CT, abdomen/pelvis — axial plane, index 51 — W/L 400/40 HU
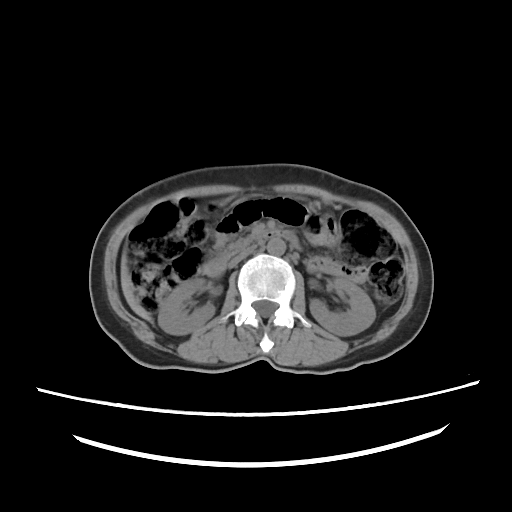 Box edges are left/top/right/bottom in pixels.
right kidney: left=158, top=279, right=215, bottom=334
liver: left=121, top=253, right=151, bottom=320
inferior vena cava: left=227, top=246, right=255, bottom=268
duodenum: left=202, top=230, right=299, bottom=277
left kidney: left=309, top=278, right=375, bottom=336
aorta: left=267, top=238, right=285, bottom=255